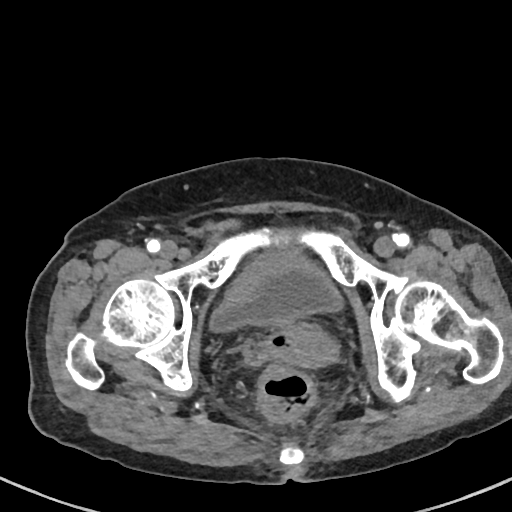
CT abdomen · Axial slice 29/279 · soft-tissue window (W 400 / L 40) · acquired on SOMATOM Force · 15 organs annotated in this scan (counted over the whole 3D scan, not this slice; an organ is boxed only where this slice passes through it)
Each box given as x1,y1,x2,y2. The annotated organs in this slice are: bladder at x1=210, y1=251, x2=341, y2=331, prostate/uterus at x1=281, y1=334, x2=331, y2=367.